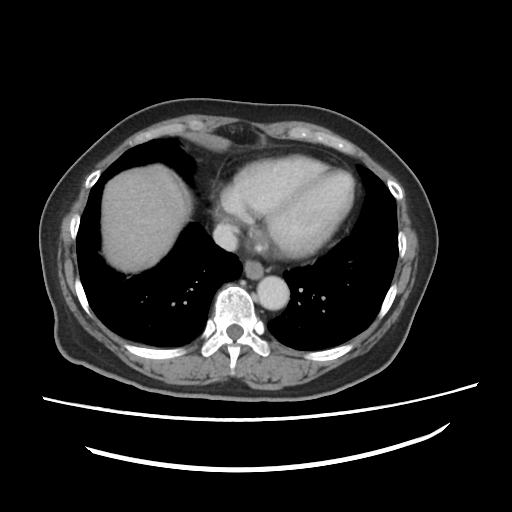 Abdominal CT — axial view — 61-year-old female patient
One row per box, in pixels: columns x1 and y1 give the top-left corner, x2 and y2 the bottom-right.
| organ | x1 | y1 | x2 | y2 |
|---|---|---|---|---|
| esophagus | 243 | 259 | 265 | 279 |
| liver | 101 | 165 | 190 | 272 |
| aorta | 257 | 275 | 290 | 310 |
| inferior vena cava | 212 | 223 | 236 | 251 |